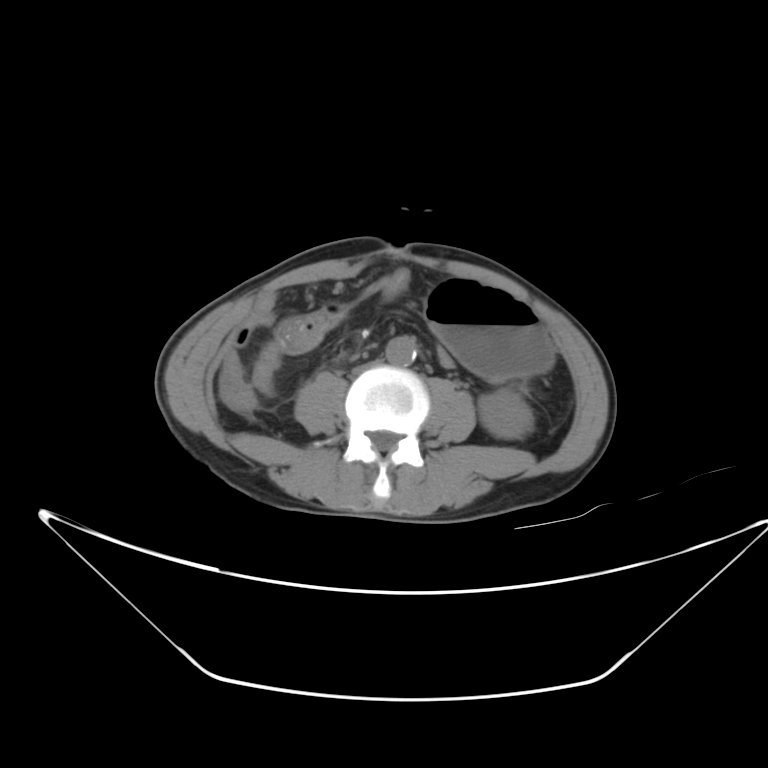 CT, abdomen/pelvis — axial view — 51-year-old male patient
Each box given as x1,y1,x2,y2.
left kidney: x1=479, y1=389, x2=532, y2=440
stomach: x1=426, y1=279, x2=549, y2=381
aorta: x1=386, y1=333, x2=414, y2=364
inferior vena cava: x1=349, y1=357, x2=386, y2=373